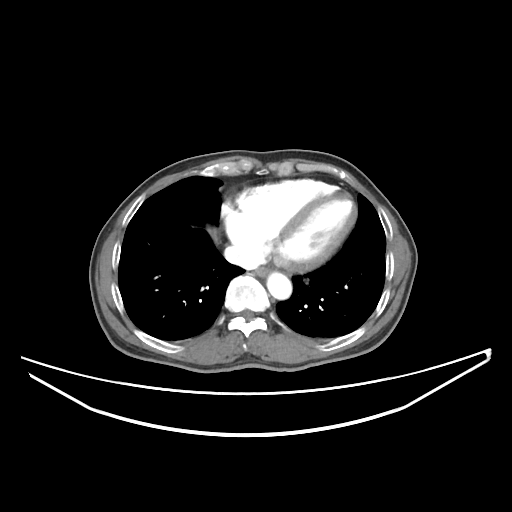

CT of the abdomen reaching into the lower chest, slice just above the liver and spleen. axial plane, index 81. soft-tissue window. 62-year-old male patient. 15 organs annotated in this scan (that count is for the whole scan; organs this slice misses have no box)
Of the structures in the chest, this dataset labels only the esophagus, the aorta and the inferior vena cava; the heart and lungs have no label.
Bounding boxes in pixels, one row per box: x1, y1 is the top-left corner and x2, y2 the bottom-right.
| organ | x1 | y1 | x2 | y2 |
|---|---|---|---|---|
| inferior vena cava | 224 | 245 | 256 | 267 |
| aorta | 267 | 272 | 291 | 299 |
| esophagus | 255 | 267 | 269 | 277 |